CT, abdomen/pelvis; axial view; 512x512 px
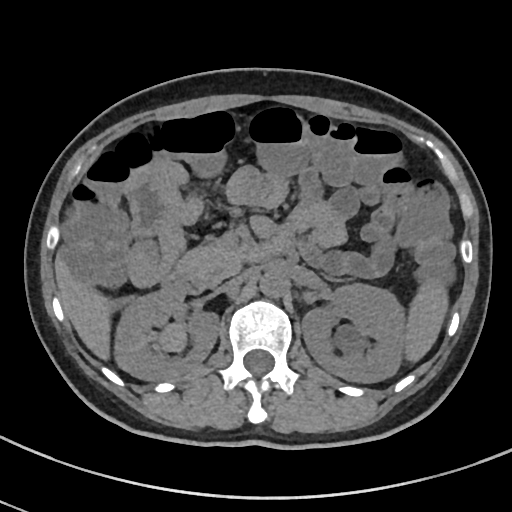 Box edges are left/top/right/bottom in pixels.
duodenum: left=161, top=234, right=292, bottom=295
inferior vena cava: left=216, top=274, right=245, bottom=293
right kidney: left=114, top=289, right=218, bottom=380
aorta: left=259, top=269, right=288, bottom=298
left kidney: left=301, top=283, right=404, bottom=382
pancreas: left=177, top=239, right=246, bottom=286
liver: left=56, top=259, right=113, bottom=359
spleen: left=403, top=278, right=448, bottom=362